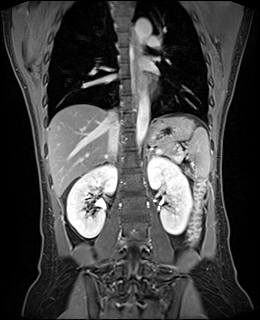
Magnetic resonance imaging, abdomen — coronal plane, index 59 — percentile-normalized — 260x320 px
<organs><organ name="inferior vena cava" x1="107" y1="110" x2="120" y2="156"/><organ name="left kidney" x1="148" y1="156" x2="192" y2="234"/><organ name="stomach" x1="148" y1="116" x2="194" y2="143"/><organ name="spleen" x1="186" y1="127" x2="210" y2="178"/><organ name="aorta" x1="135" y1="90" x2="149" y2="145"/><organ name="aorta" x1="136" y1="18" x2="151" y2="44"/><organ name="pancreas" x1="159" y1="142" x2="175" y2="155"/><organ name="right kidney" x1="66" y1="164" x2="116" y2="238"/><organ name="liver" x1="47" y1="104" x2="109" y2="197"/><organ name="esophagus" x1="132" y1="31" x2="139" y2="99"/><organ name="left adrenal gland" x1="147" y1="150" x2="153" y2="158"/></organs>